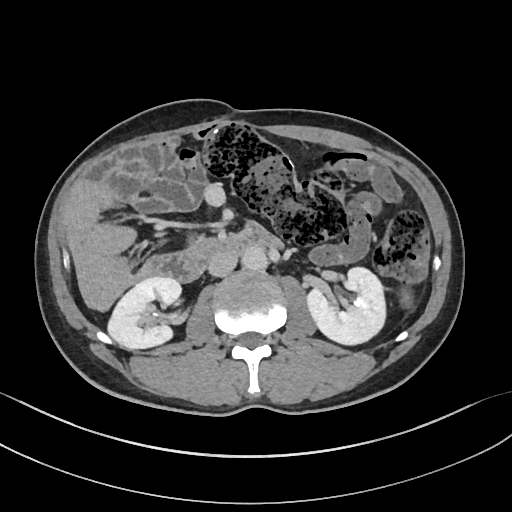 CT abdomen; axial view; 512x512 px; acquired on SOMATOM Force
Each box given as x1,y1,x2,y2.
spleen: x1=400, y1=290, x2=411, y2=301
right kidney: x1=109, y1=276, x2=182, y2=348
left kidney: x1=307, y1=266, x2=386, y2=346
aorta: x1=242, y1=246, x2=268, y2=271
inferior vena cava: x1=209, y1=251, x2=237, y2=276
duodenum: x1=146, y1=220, x2=281, y2=282